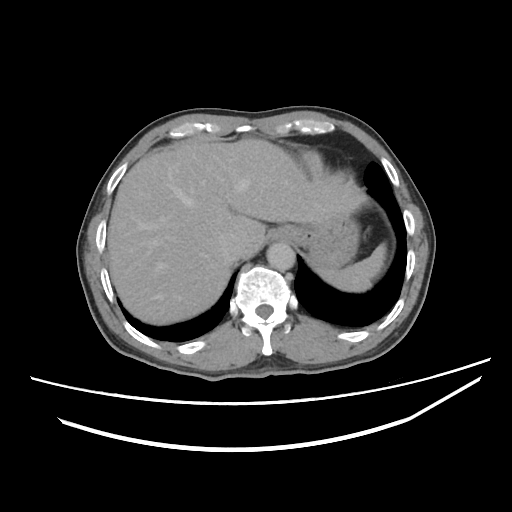 CT abdomen. axial view. W/L 400/40 HU. 512x512 px. 58-year-old male patient
Organ boxes in pixel coordinates; each row gives the top-left (x1, y1) and bottom-right (x2, y2) corners.
| organ | x1 | y1 | x2 | y2 |
|---|---|---|---|---|
| esophagus | 270 | 225 | 300 | 240 |
| liver | 108 | 138 | 368 | 323 |
| stomach | 297 | 213 | 359 | 268 |
| spleen | 319 | 243 | 387 | 292 |
| aorta | 267 | 241 | 295 | 270 |
| inferior vena cava | 214 | 233 | 247 | 266 |